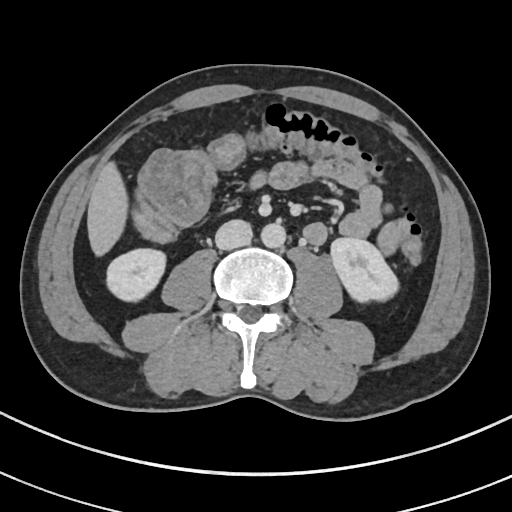 Computed tomography, abdomen. axial view. soft-tissue window. 512x512 px. 15 organs annotated in this scan (a whole-scan count: organs this slice does not pass through have no box)
Each box given as x1,y1,x2,y2. 5 labeled organs on this slice — right kidney at x1=107, y1=250, x2=165, y2=299; left kidney at x1=330, y1=235, x2=399, y2=302; liver at x1=87, y1=164, x2=127, y2=253; aorta at x1=260, y1=222, x2=285, y2=248; inferior vena cava at x1=215, y1=219, x2=251, y2=250.